CT abdomen · axial view · 768x768 px
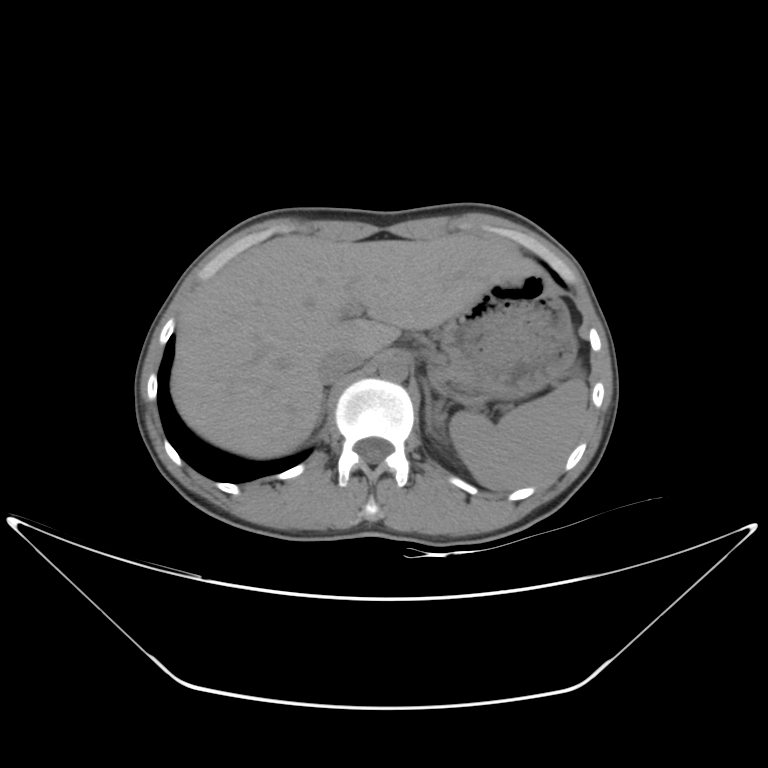

{"organs":{"pancreas":[435,358,454,380],"aorta":[378,356,408,382],"right adrenal gland":[316,404,324,424],"spleen":[450,370,588,491],"left adrenal gland":[422,380,435,435],"inferior vena cava":[318,346,366,383],"stomach":[442,273,577,398],"liver":[170,233,538,458]}}